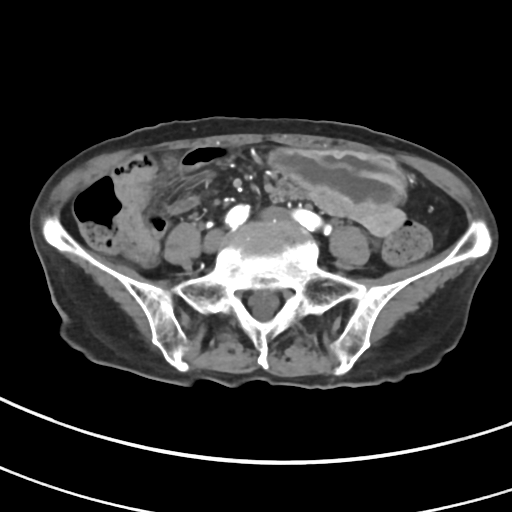
Computed tomography, abdomen — Axial slice 36/118 — soft-tissue window
Box edges are left/top/right/bottom in pixels.
Organ bounding boxes:
- stomach: left=270, top=150, right=406, bottom=213